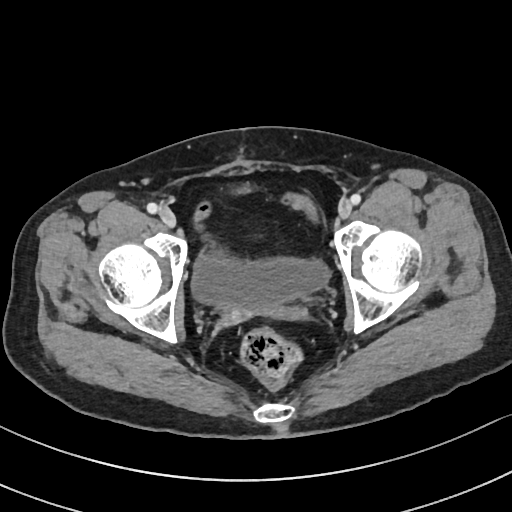

Abdominal CT — Axial slice 37/314
{"organs":{"bladder":[191,253,329,312]}}